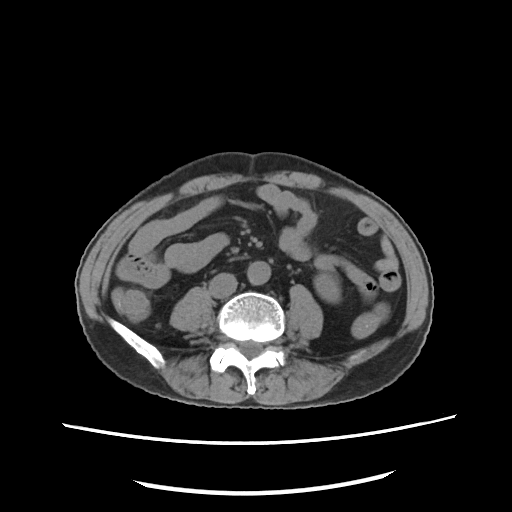
CT abdomen — axial view — abdomen soft-tissue window
One row per box, in pixels: columns x1 and y1 give the top-left corner, x2 and y2 the bottom-right.
| organ | x1 | y1 | x2 | y2 |
|---|---|---|---|---|
| left kidney | 314 | 274 | 340 | 302 |
| aorta | 247 | 261 | 270 | 285 |
| inferior vena cava | 209 | 272 | 237 | 298 |